CT abdomen · Axial slice 54/96 · 768x768 px · scan has 15 labeled organs (counted over the whole 3D scan, not this slice; an organ is boxed only where this slice passes through it)
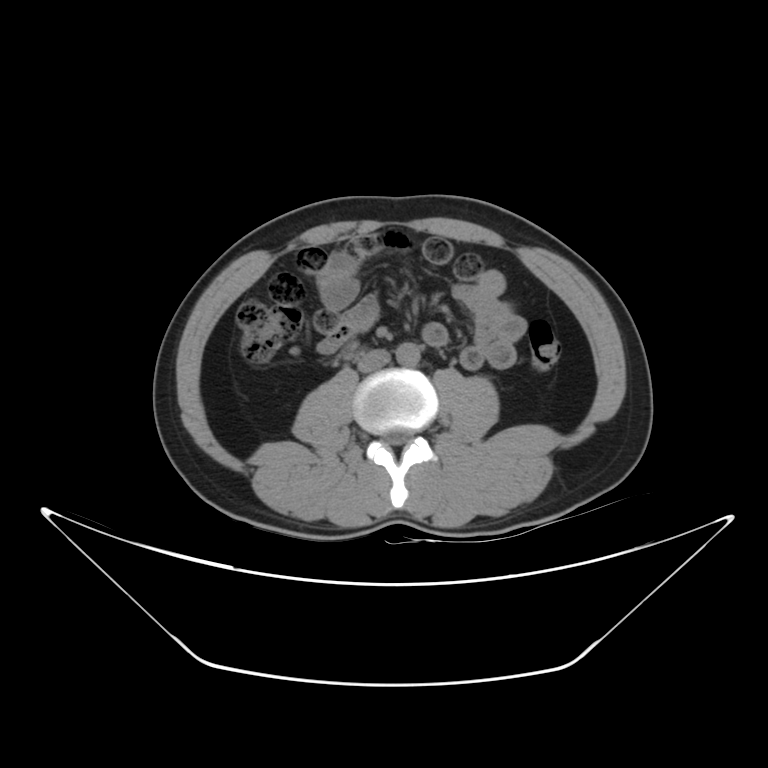
Organ boxes in pixel coordinates; each row gives the top-left (x1, y1) and bottom-right (x2, y2) corners.
| organ | x1 | y1 | x2 | y2 |
|---|---|---|---|---|
| aorta | 395 | 342 | 420 | 365 |
| inferior vena cava | 357 | 350 | 390 | 372 |
| duodenum | 345 | 346 | 359 | 358 |